Chest-level slice from an abdominal CT that extends up into the chest; axial view; Aquilion ONE scanner
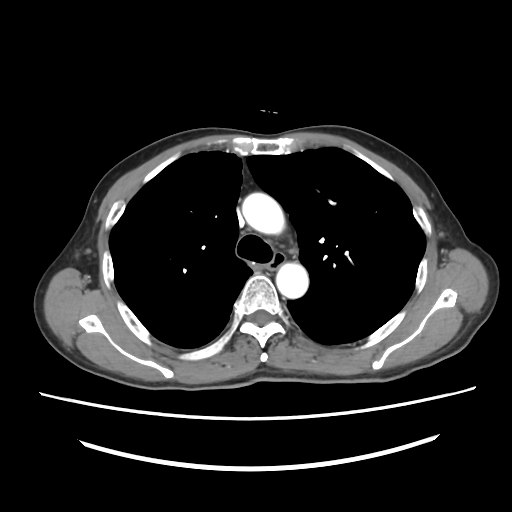 At this level of the chest this dataset labels only the esophagus and the aorta, and each is boxed only where it is labeled; the heart and lungs are never labeled.
Boxes are (x1, y1, x2, y2) in pixels.
esophagus: (266, 252, 284, 270)
aorta: (242, 193, 284, 234)
aorta: (276, 263, 308, 298)